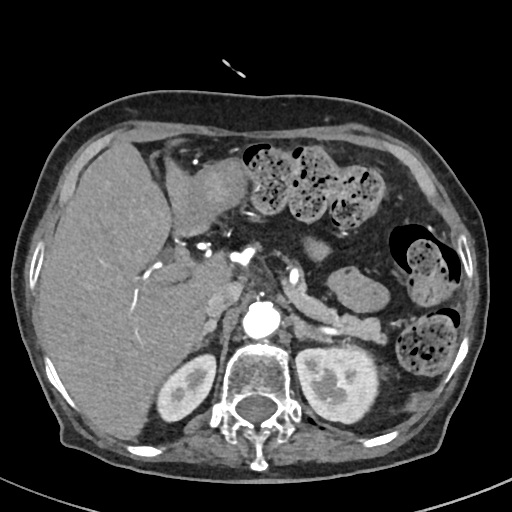
CT, abdomen/pelvis · axial view · 512x512 px · SOMATOM Force scanner
{"organs":{"pancreas":[293,269,385,344],"stomach":[193,156,242,221],"left adrenal gland":[291,317,333,343],"aorta":[241,302,279,340],"liver":[38,142,234,440],"right adrenal gland":[196,316,218,350],"left kidney":[296,348,377,422],"spleen":[404,393,424,414],"right kidney":[156,354,216,419],"inferior vena cava":[204,282,241,317]}}